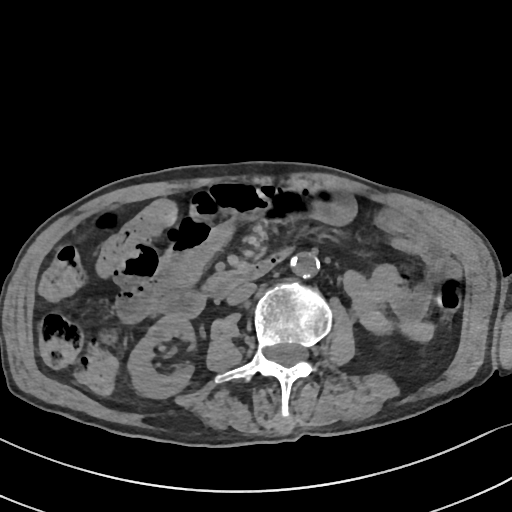 Computed tomography, abdomen · axial view
<organs><organ name="inferior vena cava" x1="227" y1="281" x2="255" y2="304"/><organ name="right kidney" x1="128" y1="315" x2="194" y2="398"/><organ name="duodenum" x1="162" y1="246" x2="292" y2="317"/><organ name="aorta" x1="290" y1="252" x2="319" y2="278"/></organs>